Abdominal CT; this slice is in the lower chest, just above the liver; axial view; soft-tissue window, W/L 400/40; 512x512 px; SOMATOM Force scanner
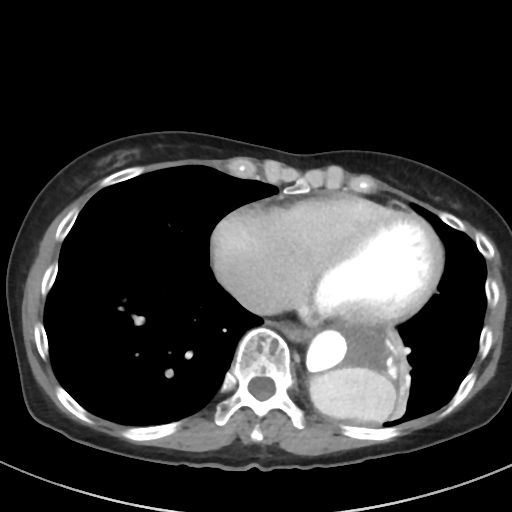 The heart and lungs are never labeled in this dataset, so they have no box on this slice.
{"organs":{"esophagus":[277,323,312,341],"aorta":[305,319,401,423],"inferior vena cava":[236,284,278,314]}}